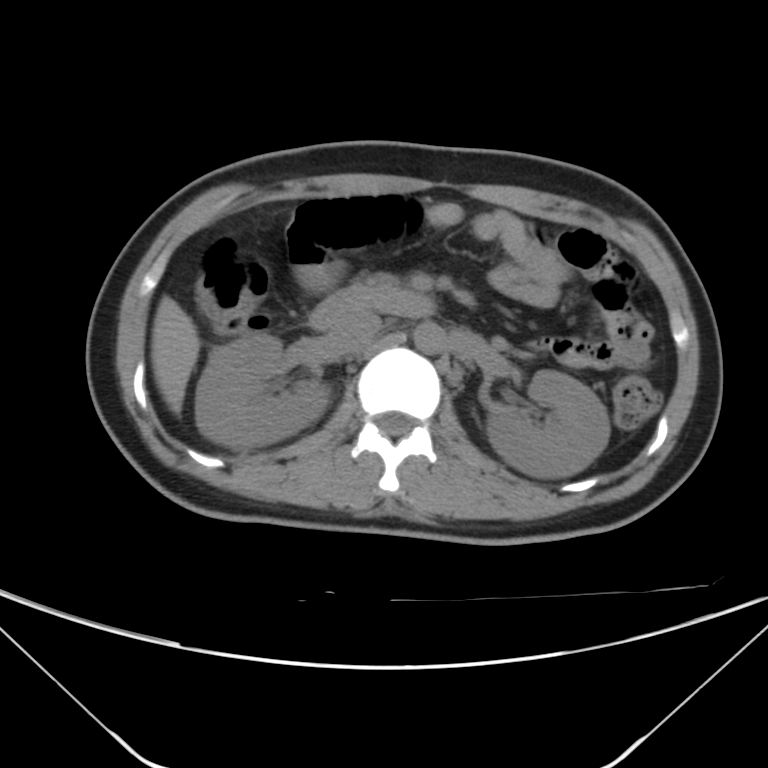

CT, abdomen/pelvis. axial view. soft-tissue window (W 400 / L 40)
Bounding boxes in pixels, one row per box: x1, y1 is the top-left corner and x2, y2 the bottom-right.
| organ | x1 | y1 | x2 | y2 |
|---|---|---|---|---|
| right kidney | 195 | 334 | 331 | 448 |
| left kidney | 487 | 369 | 609 | 477 |
| liver | 151 | 296 | 201 | 414 |
| aorta | 413 | 321 | 445 | 354 |
| inferior vena cava | 329 | 311 | 381 | 352 |
| pancreas | 366 | 275 | 394 | 285 |
| duodenum | 309 | 285 | 435 | 331 |